Abdominal CT. axial view. abdomen soft-tissue window
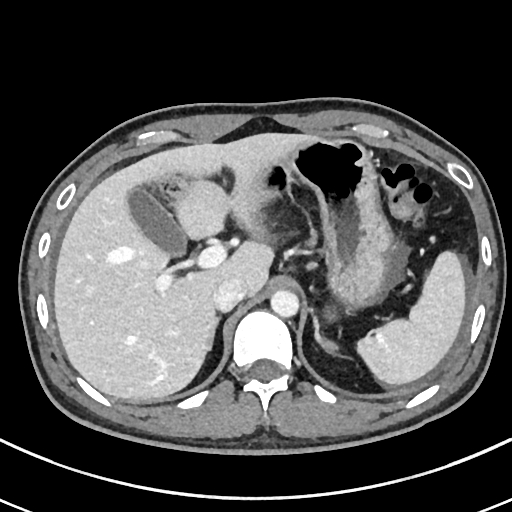

Boxes: x1 y1 x2 y2 (pixel coords, space-separated).
liver: 54 133 319 401
aorta: 271 290 299 317
inferior vena cava: 212 277 245 311
stomach: 258 139 393 316
gall bladder: 127 188 186 256
left adrenal gland: 313 316 336 352
right adrenal gland: 206 317 219 352
spleen: 357 251 465 384